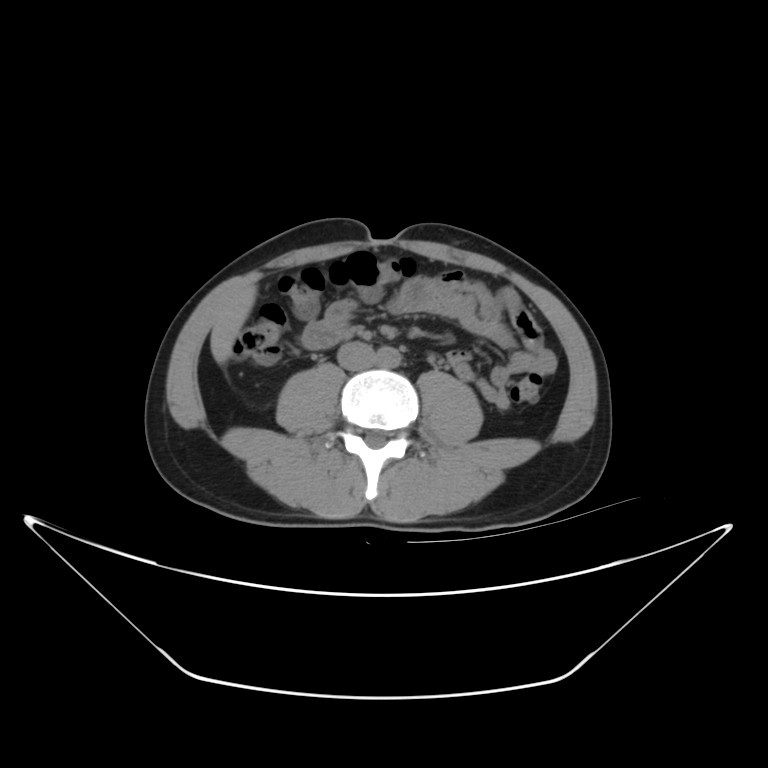

CT, abdomen/pelvis; axial view; 768x768 px
{"organs":{"liver":[211,285,258,360],"aorta":[376,347,399,370],"inferior vena cava":[334,340,373,368]}}